CT abdomen. axial plane, index 60. abdomen soft-tissue window. 512x512 px
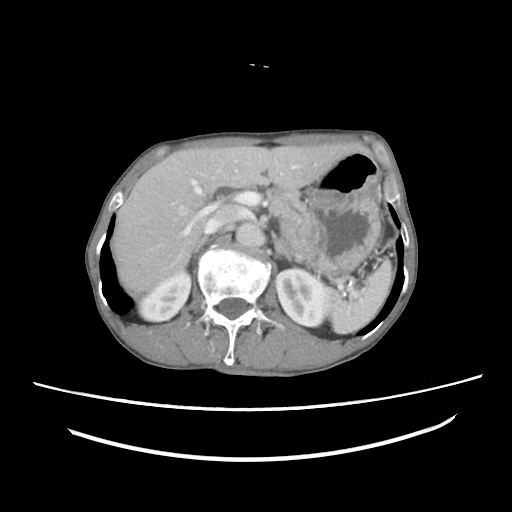

{"organs":{"inferior vena cava":[204,205,242,233],"left kidney":[275,268,331,326],"right adrenal gland":[184,236,208,267],"pancreas":[266,188,310,249],"aorta":[236,222,264,247],"left adrenal gland":[275,239,291,260],"stomach":[279,152,380,277],"right kidney":[139,271,191,321],"spleen":[328,261,392,334],"liver":[111,143,370,295]}}